Abdominal CT; Axial slice 100/103; soft-tissue window; 512x512 px; acquired on Aquilion ONE
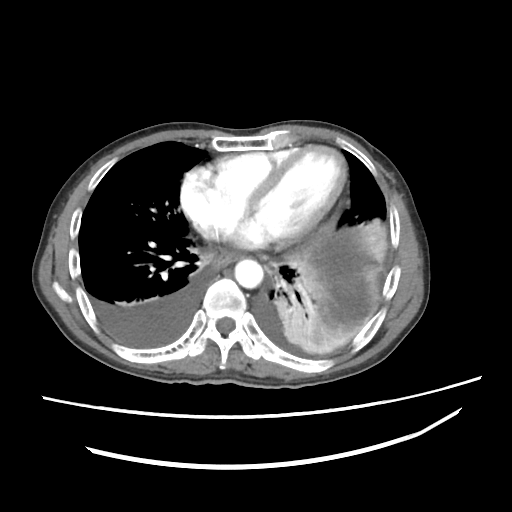

Boxes: x1:y1:x2:y2 in pixels.
stomach: 278:280:315:299
esophagus: 208:253:238:272
aorta: 235:259:263:289
inferior vena cava: 203:265:204:266